Computed tomography, abdomen — axial plane, index 51 — W/L 400/40 HU — 512x512 px — Aquilion ONE scanner
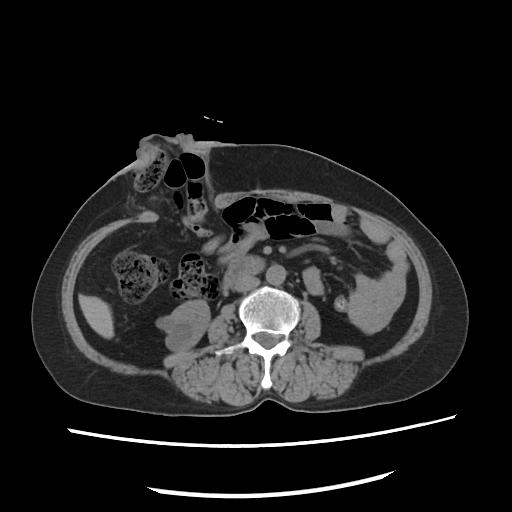
<organs><organ name="right kidney" x1="156" y1="301" x2="209" y2="351"/><organ name="liver" x1="78" y1="294" x2="114" y2="339"/><organ name="aorta" x1="266" y1="263" x2="284" y2="285"/><organ name="inferior vena cava" x1="236" y1="276" x2="259" y2="290"/><organ name="duodenum" x1="221" y1="256" x2="264" y2="290"/></organs>